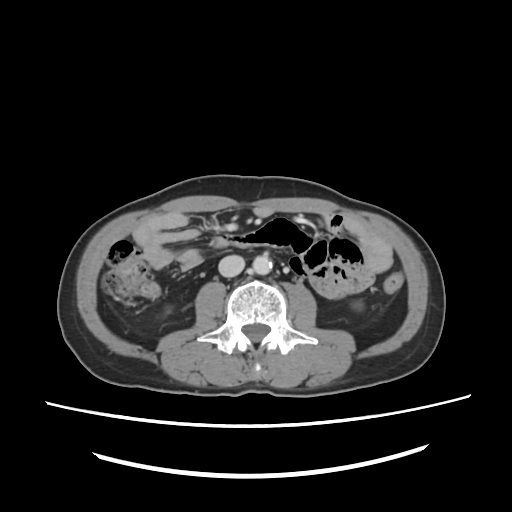

Abdominal CT; axial view; soft-tissue window
<organs><organ name="aorta" x1="253" y1="253" x2="271" y2="273"/><organ name="inferior vena cava" x1="218" y1="256" x2="244" y2="277"/></organs>